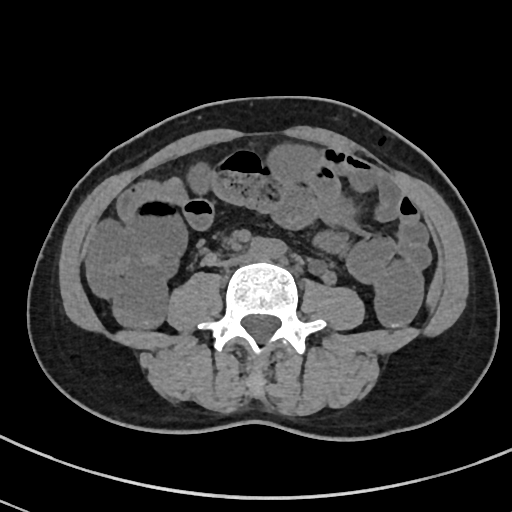
Computed tomography, abdomen — axial view — soft-tissue window (W 400 / L 40) — SOMATOM Force scanner
One row per box, in pixels: columns x1 and y1 give the top-left corner, x2 and y2 the bottom-right.
| organ | x1 | y1 | x2 | y2 |
|---|---|---|---|---|
| inferior vena cava | 225 | 255 | 251 | 265 |
| aorta | 251 | 238 | 283 | 256 |